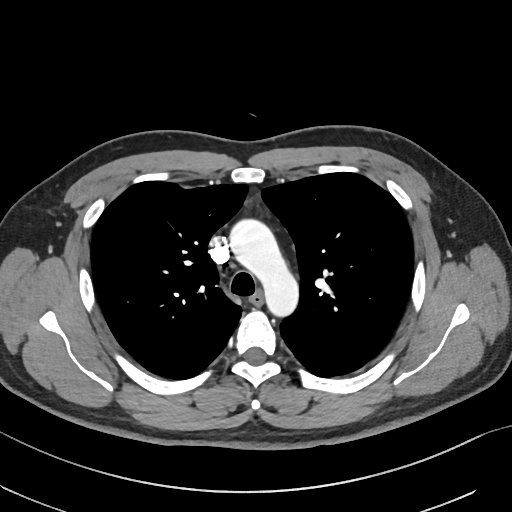

CT of the abdomen extending into the chest, slice through the chest; axial view; W/L 400/40 HU
On a slice this high in the chest, this dataset labels only the esophagus and the aorta, and each is boxed only where it is labeled; the heart, lungs and other chest structures are not labeled.
Bounding boxes in pixels, one row per box: x1, y1 is the top-left corner and x2, y2 the bottom-right.
| organ | x1 | y1 | x2 | y2 |
|---|---|---|---|---|
| esophagus | 250 | 291 | 263 | 305 |
| aorta | 228 | 217 | 298 | 318 |